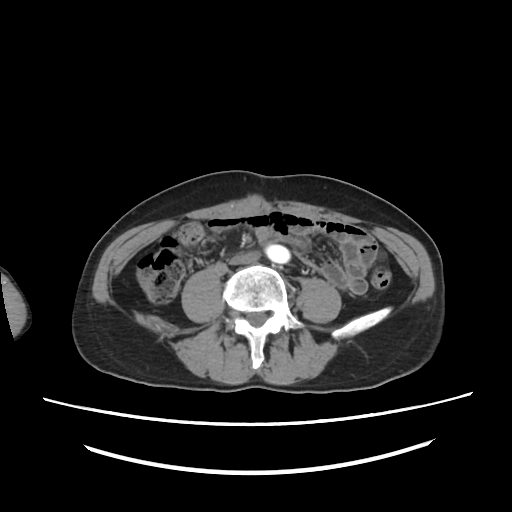 CT, abdomen/pelvis; Axial slice 50/132; soft-tissue window (W 400 / L 40); 512x512 px; 61-year-old male patient
Organ boxes in pixel coordinates; each row gives the top-left (x1, y1) and bottom-right (x2, y2) corners.
| organ | x1 | y1 | x2 | y2 |
|---|---|---|---|---|
| aorta | 264 | 244 | 291 | 264 |
| inferior vena cava | 229 | 251 | 262 | 265 |